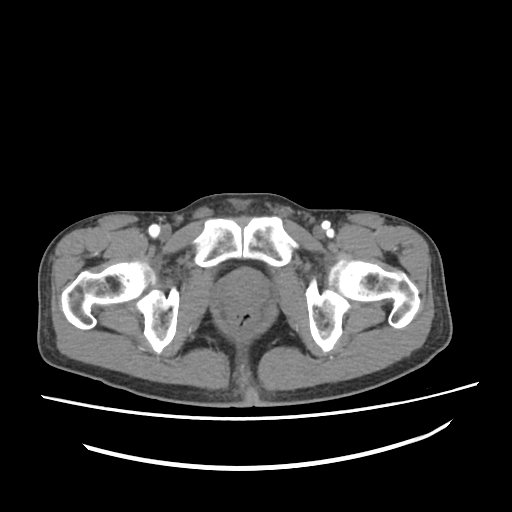

Computed tomography, abdomen · Axial slice 16/133 · 14 organs annotated in this scan (that count is for the whole scan; organs this slice misses have no box)
{"organs":{"prostate/uterus":[220,272,266,308]}}